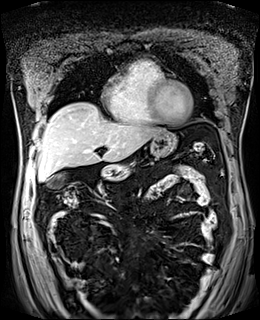

Magnetic resonance imaging, abdomen. coronal plane, index 102. 1st–99th percentile window. 13 organs annotated in this scan (that count is for the whole scan; organs this slice misses have no box)
Boxes: x1:y1:x2:y2 in pixels. The annotated organs in this slice are: gall bladder at 47:174:65:188, liver at 37:102:164:181, stomach at 99:131:176:180.